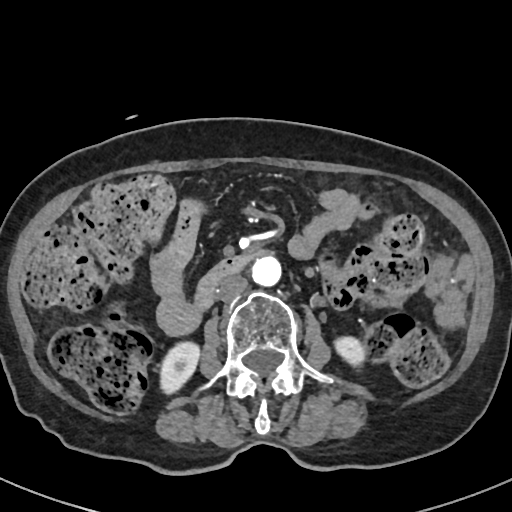 CT abdomen; axial view
<organs><organ name="right kidney" x1="159" y1="341" x2="201" y2="393"/><organ name="left kidney" x1="333" y1="334" x2="367" y2="364"/><organ name="aorta" x1="252" y1="256" x2="281" y2="286"/><organ name="inferior vena cava" x1="216" y1="276" x2="248" y2="302"/><organ name="duodenum" x1="190" y1="249" x2="270" y2="313"/></organs>